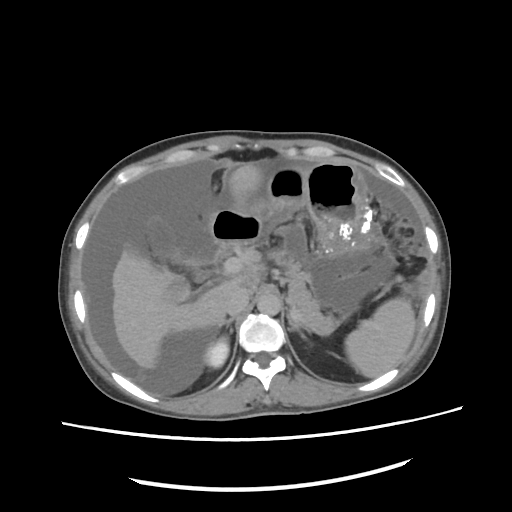 CT, abdomen/pelvis; Axial slice 89/112; W/L 400/40 HU
Each box given as x1,y1,x2,y2.
Organ bounding boxes:
- spleen: x1=345, y1=300, x2=417, y2=377
- right kidney: x1=205, y1=336, x2=229, y2=368
- gall bladder: x1=147, y1=217, x2=182, y2=264
- liver: x1=113, y1=166, x2=266, y2=369
- stomach: x1=252, y1=158, x2=377, y2=254
- aorta: x1=256, y1=293, x2=281, y2=314
- inferior vena cava: x1=228, y1=289, x2=248, y2=314
- pancreas: x1=270, y1=252, x2=336, y2=333
- right adrenal gland: x1=218, y1=317, x2=235, y2=328
- left adrenal gland: x1=287, y1=317, x2=304, y2=337
- duodenum: x1=208, y1=208, x2=261, y2=259